Computed tomography, abdomen — axial view — 66-year-old male patient — acquired on Brilliance16
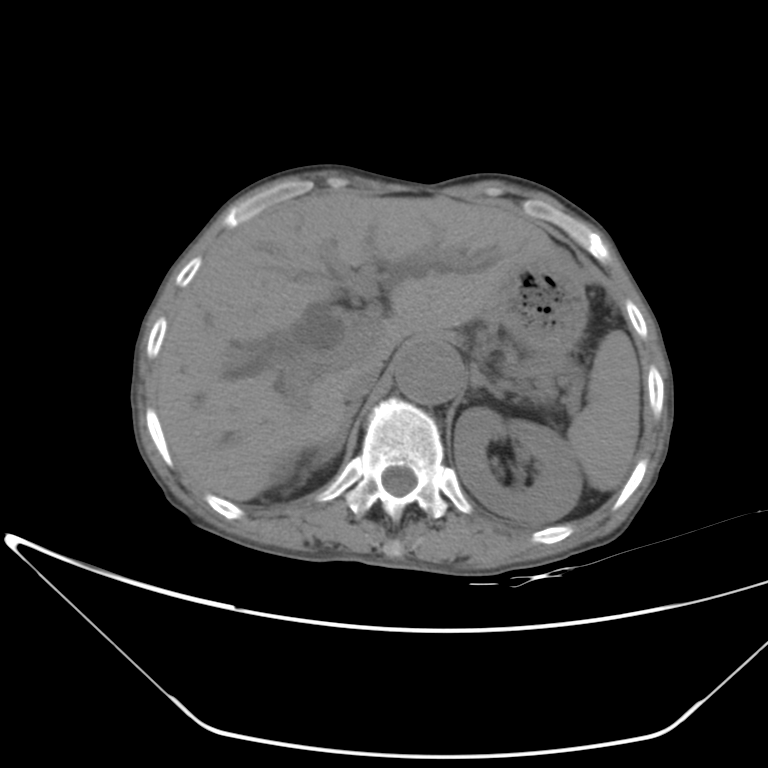
Bounding boxes as [x1, y1, x2, y2] in pixel coordinates. 9 labeled organs on this slice — pancreas at [478, 328, 532, 364]; right adrenal gland at [315, 399, 359, 465]; stomach at [492, 255, 588, 359]; aorta at [395, 343, 463, 405]; left kidney at [455, 408, 582, 523]; inferior vena cava at [343, 359, 382, 402]; left adrenal gland at [470, 364, 499, 394]; spleen at [567, 330, 640, 491]; liver at [154, 194, 564, 501].